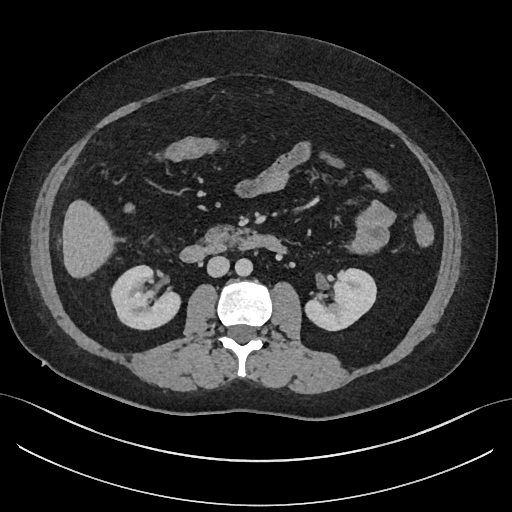 CT, abdomen/pelvis — axial view
<organs><organ name="right kidney" x1="110" y1="266" x2="178" y2="329"/><organ name="left kidney" x1="306" y1="268" x2="376" y2="330"/><organ name="liver" x1="62" y1="200" x2="113" y2="275"/><organ name="aorta" x1="235" y1="257" x2="252" y2="275"/><organ name="inferior vena cava" x1="207" y1="256" x2="229" y2="277"/><organ name="pancreas" x1="207" y1="227" x2="241" y2="249"/><organ name="duodenum" x1="180" y1="234" x2="265" y2="262"/></organs>